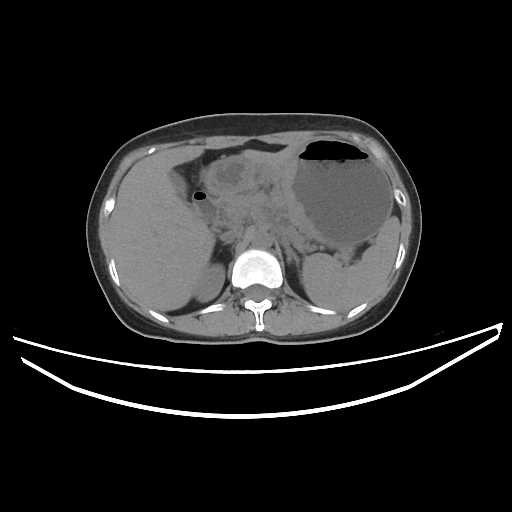 Computed tomography, abdomen — Axial slice 66/81 — W/L 400/40 HU — 15 organs annotated in this scan (counted over the whole 3D scan, not this slice; an organ is boxed only where this slice passes through it)
Boxes: x1 y1 x2 y2 (pixel coords, space-separated). 10 labeled organs on this slice — spleen at 301 216 399 311; right kidney at 194 263 224 301; gall bladder at 169 171 186 199; liver at 109 145 295 311; stomach at 203 138 393 249; aorta at 251 229 272 248; inferior vena cava at 221 227 242 241; pancreas at 223 194 254 223; left adrenal gland at 283 241 299 263; duodenum at 193 192 223 228.